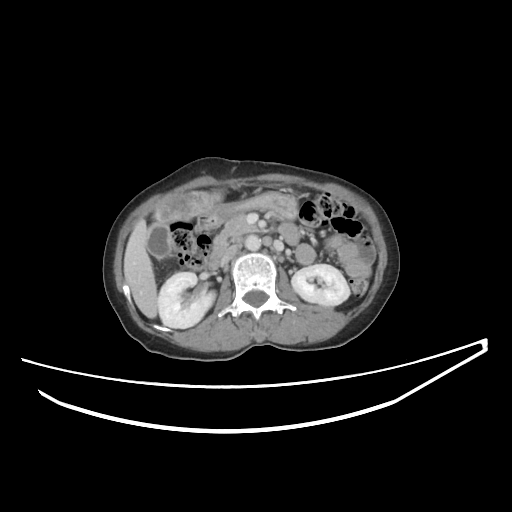

Abdominal CT — axial view — 512x512 px
Boxes: x1:y1:x2:y2 in pixels. Labeled organs on this slice: right kidney at 158:272:215:328, left kidney at 291:264:349:305, gall bladder at 147:222:172:257, liver at 124:191:222:318, stomach at 212:194:296:218, aorta at 245:235:261:250, inferior vena cava at 221:244:238:265, pancreas at 214:212:257:248, duodenum at 206:216:225:269.